CT abdomen · axial view · soft-tissue window (W 400 / L 40) · 512x512 px · acquired on SOMATOM Force
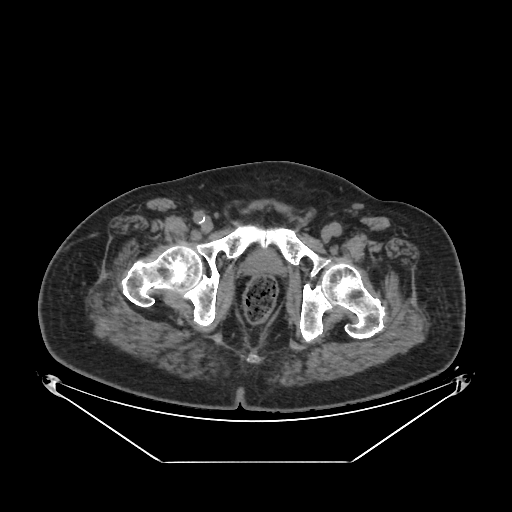 <organs><organ name="prostate/uterus" x1="245" y1="248" x2="282" y2="274"/></organs>